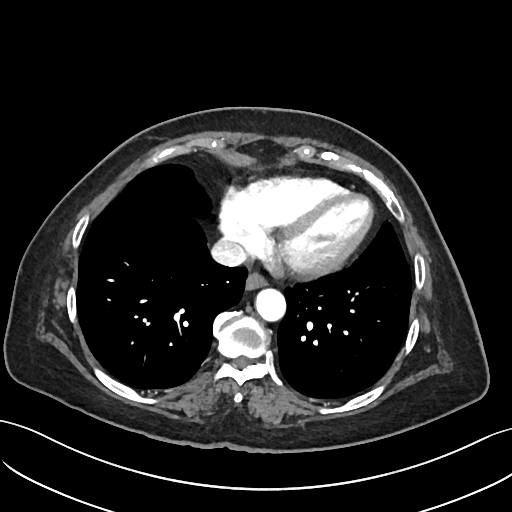

Abdominal CT; this slice is in the lower chest, just above the liver. axial plane, index 183. W/L 400/40 HU
No part of the heart or lungs is labeled in this dataset, so neither has a box here.
Each box given as x1,y1,x2,y2.
esophagus: x1=245, y1=274, x2=265, y2=291
aorta: x1=256, y1=289, x2=286, y2=322
inferior vena cava: x1=212, y1=238, x2=246, y2=266